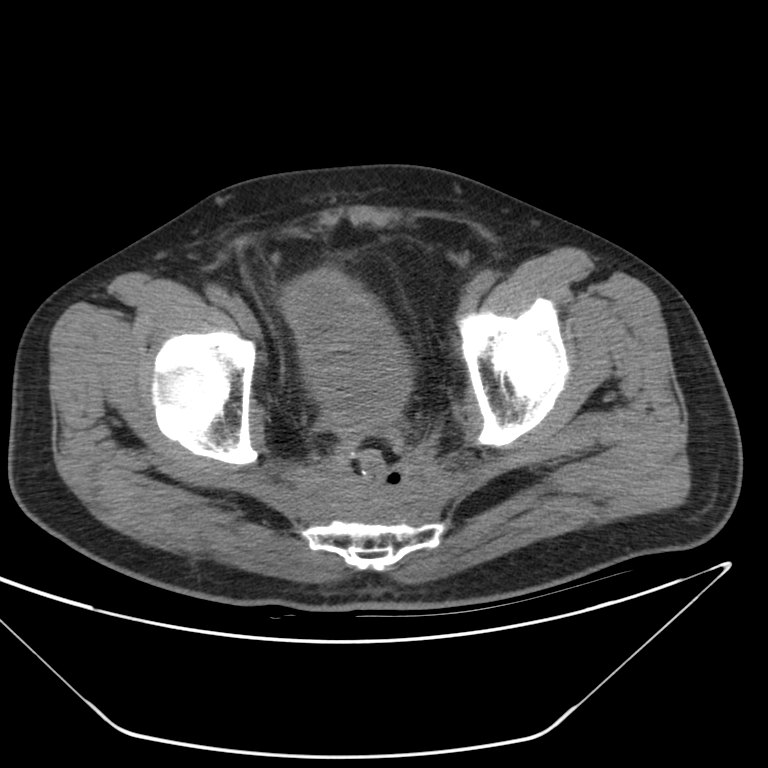

CT, abdomen/pelvis; axial view; W/L 400/40 HU; 50-year-old male patient; acquired on Brilliance16
Bounding boxes as [x1, y1, x2, y2] in pixel coordinates. Labeled organs on this slice: bladder at [284, 273, 409, 421].